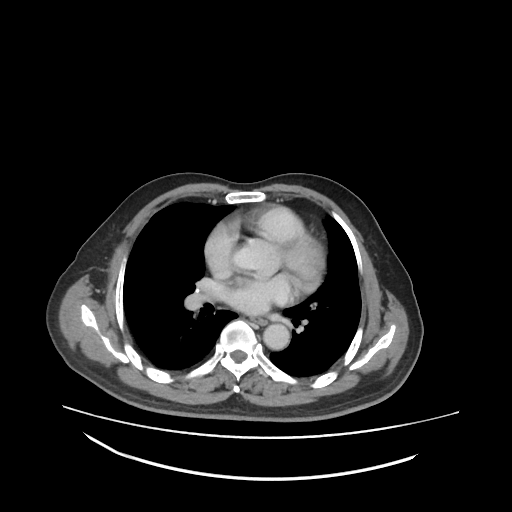
Abdominal CT reaching into the chest; this slice is in the chest; axial plane, index 91; 66-year-old male patient
On a slice this high in the chest, this dataset labels only the esophagus and the aorta, and each is boxed only where it is labeled; the heart, lungs and other chest structures are not labeled.
{"organs":{"esophagus":[250,315,265,324],"aorta":[263,324,289,350]}}